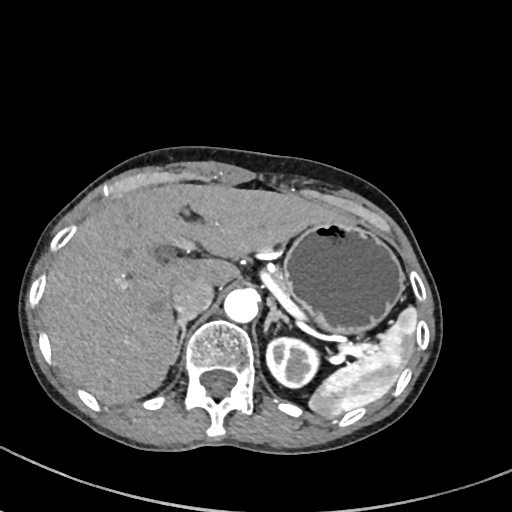

CT abdomen · axial view · 512x512 px · acquired on SOMATOM Force
{"organs":{"spleen":[307,305,418,418],"stomach":[282,224,405,336],"aorta":[223,289,258,323],"inferior vena cava":[172,280,214,319],"pancreas":[271,266,290,295],"right adrenal gland":[170,318,189,362],"liver":[41,183,353,406],"left kidney":[265,337,318,389],"left adrenal gland":[264,300,290,332]}}